Abdominal CT — Axial slice 80/92 — 512x512 px
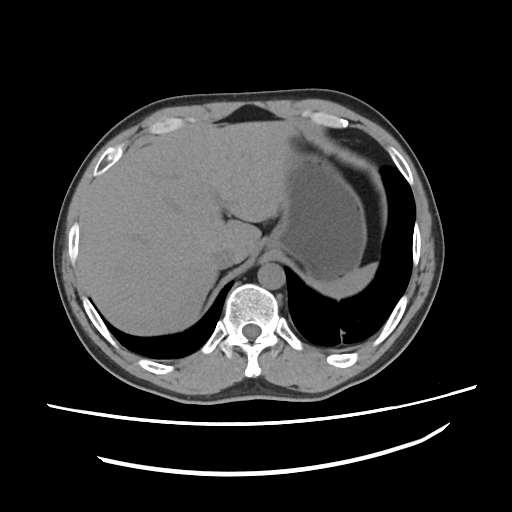
<organs><organ name="aorta" x1="257" y1="263" x2="284" y2="289"/><organ name="stomach" x1="262" y1="140" x2="367" y2="283"/><organ name="liver" x1="80" y1="121" x2="300" y2="335"/><organ name="inferior vena cava" x1="211" y1="248" x2="234" y2="268"/><organ name="spleen" x1="314" y1="263" x2="376" y2="299"/></organs>